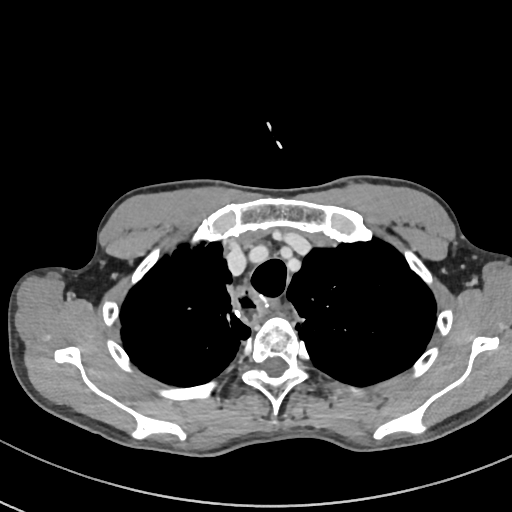 CT of the abdomen extending into the chest, slice through the chest; axial view
At this level of the chest this dataset labels only the esophagus and the aorta, and each is boxed only where it is labeled; the heart and lungs are never labeled.
<organs><organ name="esophagus" x1="234" y1="287" x2="273" y2="323"/></organs>